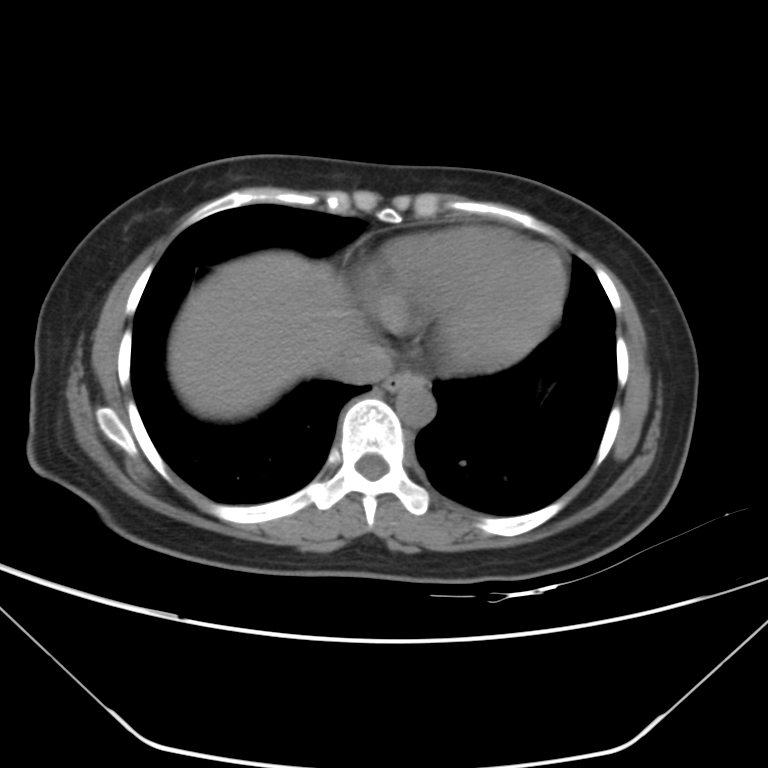
CT, abdomen/pelvis · axial view · W/L 400/40 HU · 768x768 px · scan has 15 labeled organs (that count is for the whole scan; organs this slice misses have no box)
Bounding boxes as [x1, y1, x2, y2] in pixel coordinates.
inferior vena cava: [332, 337, 393, 383]
aorta: [396, 379, 435, 427]
liver: [169, 250, 361, 419]
esophagus: [384, 370, 419, 391]